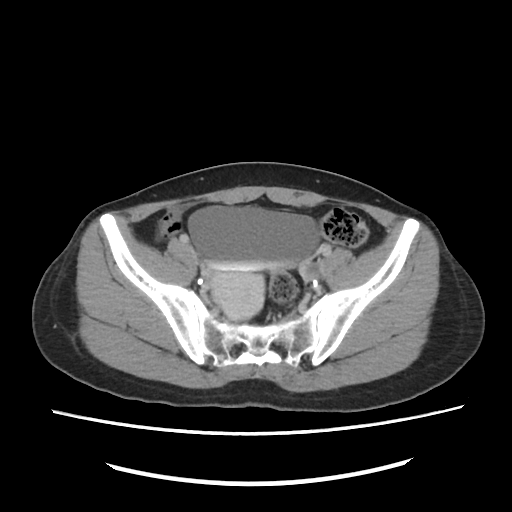
Abdominal CT; Axial slice 26/85; Aquilion ONE scanner
Coordinates as <box>x1,y1,x2,y2</box> in pixels. The annotated organs in this slice are: bladder at <box>188,206,319,271</box>, prostate/uterus at <box>210,271,263,319</box>.